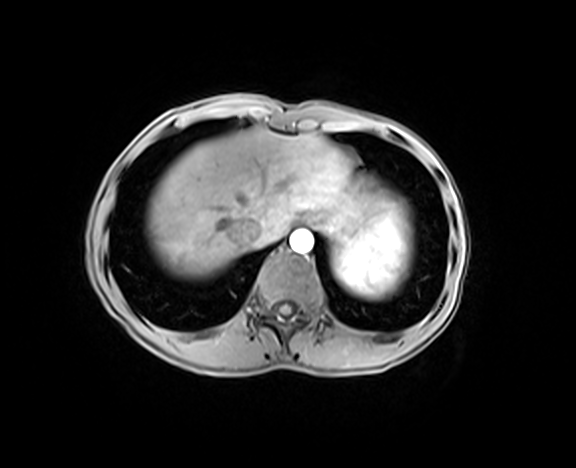 Abdominal MR · axial plane, index 59 · 13 organs annotated in this scan (a whole-scan count: organs this slice does not pass through have no box)
Bounding boxes as [x1, y1, x2, y2] in pixel coordinates. 6 labeled organs on this slice — esophagus at [301, 215, 315, 225]; stomach at [314, 213, 368, 251]; aorta at [290, 229, 313, 253]; spleen at [331, 205, 411, 299]; inferior vena cava at [229, 219, 262, 245]; liver at [146, 128, 390, 277].